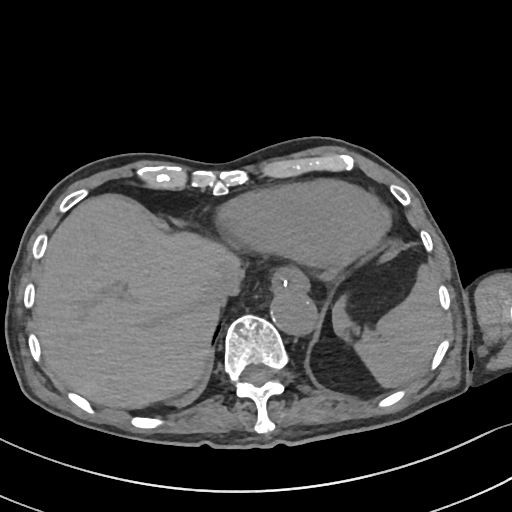 CT abdomen; axial view; 512x512 px; SOMATOM Force scanner
Bounding boxes as [x1, y1, x2, y2] in pixel coordinates.
spleen: [333, 266, 444, 387]
esophagus: [270, 267, 308, 294]
liver: [34, 194, 239, 408]
aorta: [271, 290, 316, 336]
inferior vena cava: [202, 266, 244, 310]